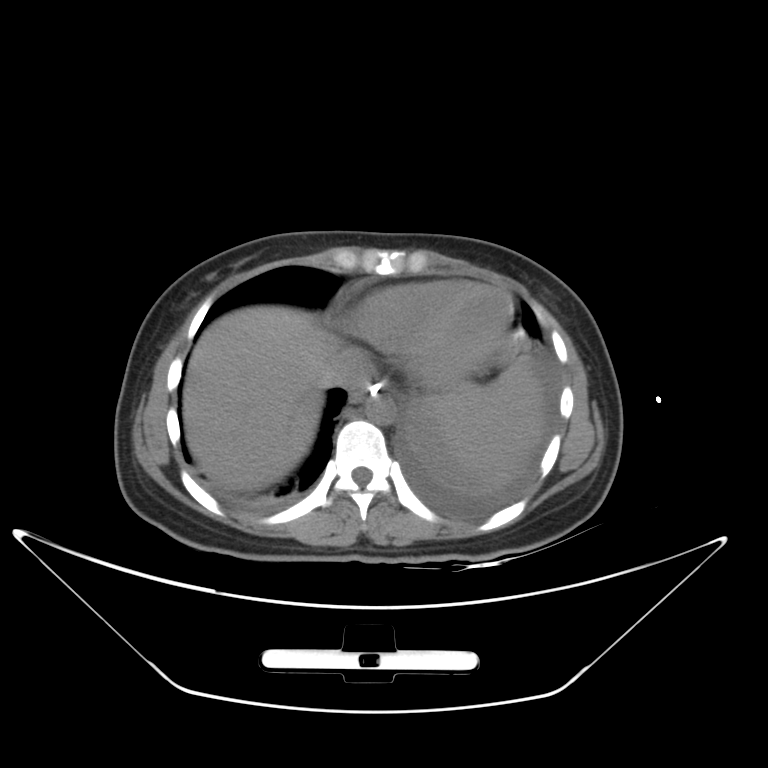 CT, abdomen/pelvis · axial plane, index 86 · W/L 400/40 HU
Bounding boxes in pixels, one row per box: x1, y1 is the top-left corner and x2, y2 the bottom-right.
| organ | x1 | y1 | x2 | y2 |
|---|---|---|---|---|
| spleen | 428 | 364 | 545 | 473 |
| esophagus | 350 | 379 | 389 | 404 |
| liver | 184 | 306 | 505 | 492 |
| aorta | 365 | 391 | 397 | 424 |
| inferior vena cava | 328 | 347 | 376 | 390 |